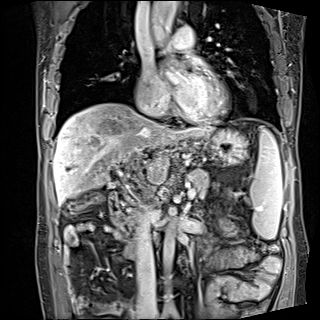
MRI, abdomen · coronal view · percentile-normalized · 320x320 px · 13 organs annotated in this scan (counted over the whole 3D scan, not this slice; an organ is boxed only where this slice passes through it)
Boxes: x1 y1 x2 y2 (pixel coords, space-separated).
spleen: 250 127 282 239
liver: 53 102 213 204
stomach: 206 128 248 164
aorta: 150 1 178 47
aorta: 163 208 176 284
aorta: 163 288 175 310
inferior vena cava: 135 209 157 311
pancreas: 131 168 232 221
duodenum: 109 190 139 259